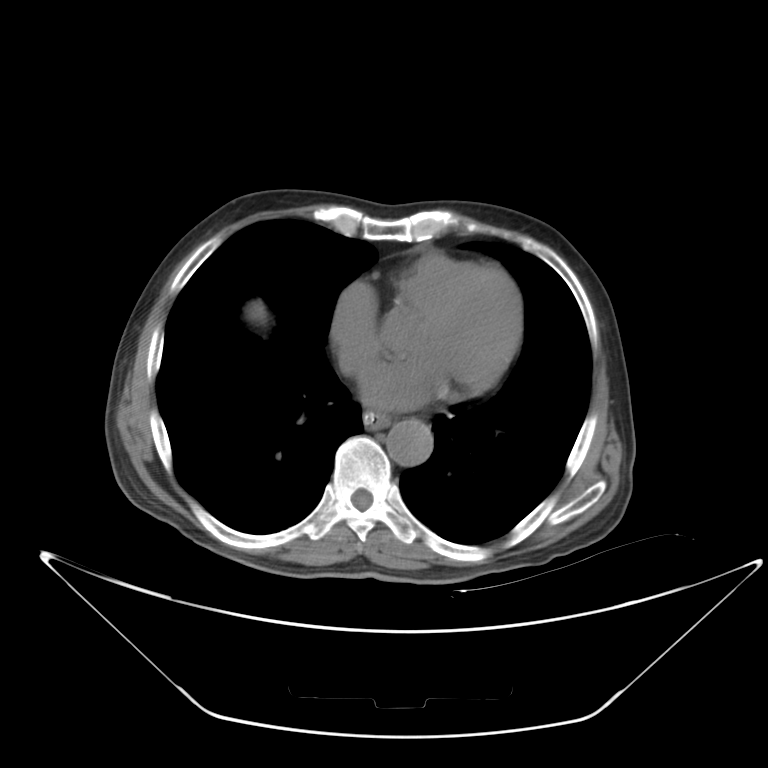 Computed tomography, abdomen. axial view. abdomen soft-tissue window. acquired on Brilliance16. 15 organs annotated in this scan (that count is for the whole scan; organs this slice misses have no box)
<organs><organ name="esophagus" x1="363" y1="411" x2="390" y2="429"/><organ name="liver" x1="244" y1="299" x2="268" y2="325"/><organ name="aorta" x1="386" y1="419" x2="433" y2="466"/></organs>